CT abdomen — axial view — W/L 400/40 HU — 512x512 px
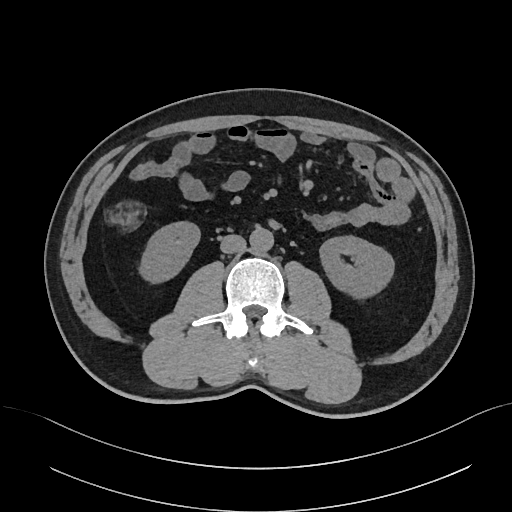

Coordinates as <box>x1,y1,x2,y2</box> in pixels.
right kidney: <box>138,221,200,284</box>
left kidney: <box>319,236,394,298</box>
aorta: <box>250,227,274,253</box>
inferior vena cava: <box>220,234,246,253</box>